Computed tomography, abdomen — axial plane, index 81 — abdomen soft-tissue window
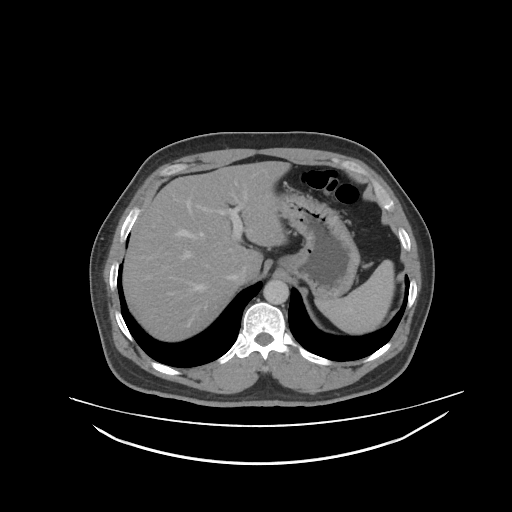
<organs><organ name="liver" x1="123" y1="161" x2="290" y2="341"/><organ name="stomach" x1="278" y1="190" x2="359" y2="299"/><organ name="aorta" x1="263" y1="279" x2="288" y2="303"/><organ name="spleen" x1="315" y1="259" x2="395" y2="333"/><organ name="inferior vena cava" x1="231" y1="269" x2="245" y2="284"/></organs>